Abdominal CT · Axial slice 127/198 · abdomen soft-tissue window · scan has 14 labeled organs (that count is for the whole scan; organs this slice misses have no box)
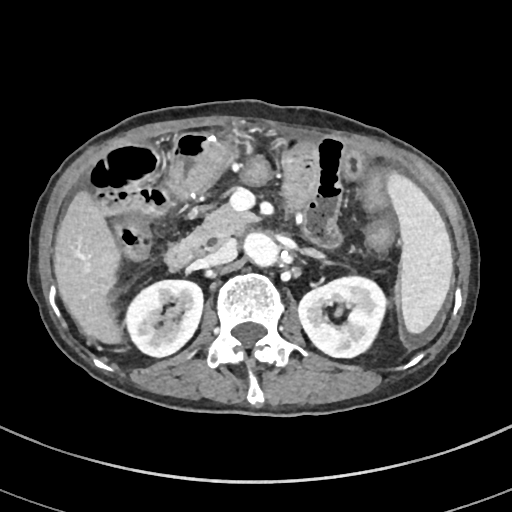
Bounding boxes as [x1, y1, x2, y2] in pixel coordinates. 9 labeled organs on this slice — spleen at [386, 172, 453, 334]; right kidney at [125, 280, 203, 356]; left kidney at [298, 276, 385, 357]; liver at [53, 190, 121, 343]; aorta at [244, 233, 278, 266]; inferior vena cava at [201, 240, 237, 265]; pancreas at [186, 205, 257, 247]; left adrenal gland at [301, 249, 324, 258]; duodenum at [165, 239, 200, 268].